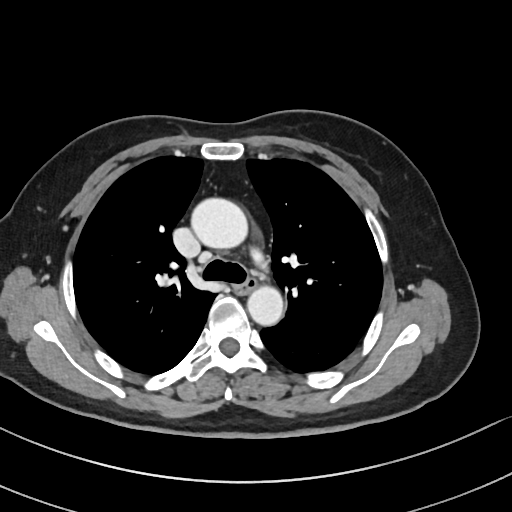
Abdominal CT reaching into the chest; this slice is in the chest; axial plane, index 268; W/L 400/40 HU; 512x512 px
On a slice this high in the chest, this dataset labels only the esophagus and the aorta, and each is boxed only where it is labeled; the heart, lungs and other chest structures are not labeled. Box edges are left/top/right/bottom in pixels. Labeled organs on this slice: aorta at left=189, top=197, right=248, bottom=248, aorta at left=247, top=287, right=283, bottom=326, esophagus at left=236, top=279, right=256, bottom=294.